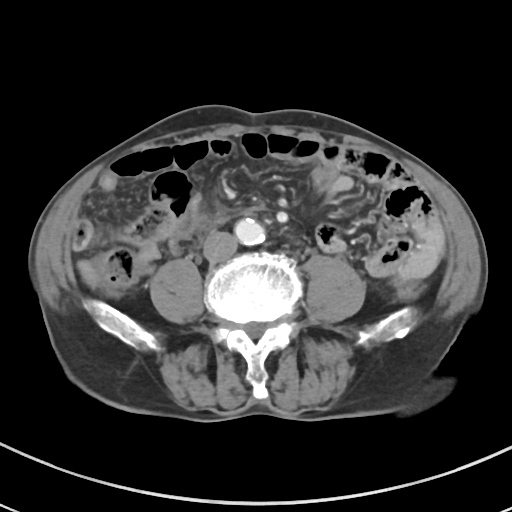

CT abdomen; axial plane, index 37; SOMATOM Force scanner; 15 organs annotated in this scan (counted over the whole 3D scan, not this slice; an organ is boxed only where this slice passes through it)
<organs><organ name="inferior vena cava" x1="203" y1="231" x2="237" y2="262"/><organ name="aorta" x1="235" y1="218" x2="265" y2="245"/></organs>